CT abdomen. axial view. W/L 400/40 HU
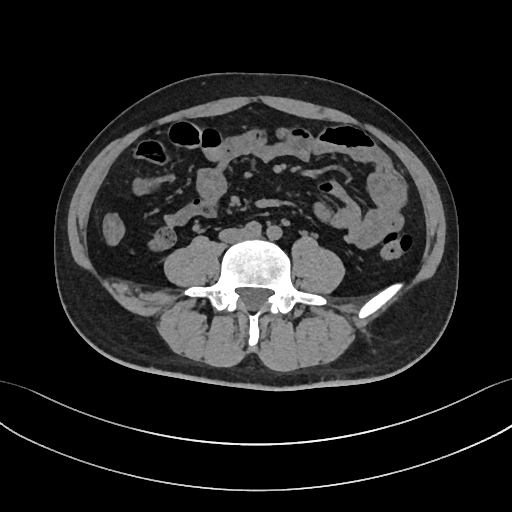
Bounding boxes in pixels, one row per box: x1, y1 is the top-left corner and x2, y2 the bottom-right.
| organ | x1 | y1 | x2 | y2 |
|---|---|---|---|---|
| inferior vena cava | 219 | 229 | 246 | 241 |